CT, abdomen/pelvis. axial plane, index 76. 768x768 px. 56-year-old male patient
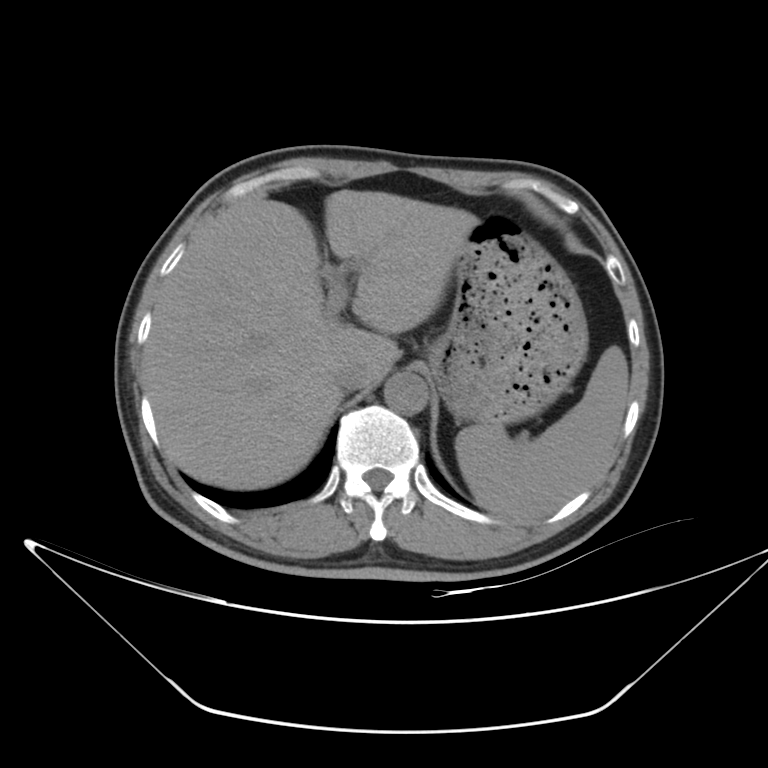
Bounding boxes as [x1, y1, x2, y2] in pixel coordinates. 5 labeled organs on this slice — spleen at [455, 346, 628, 518]; liver at [142, 190, 478, 489]; stomach at [427, 221, 588, 424]; aorta at [384, 373, 428, 414]; inferior vena cava at [333, 361, 369, 390].